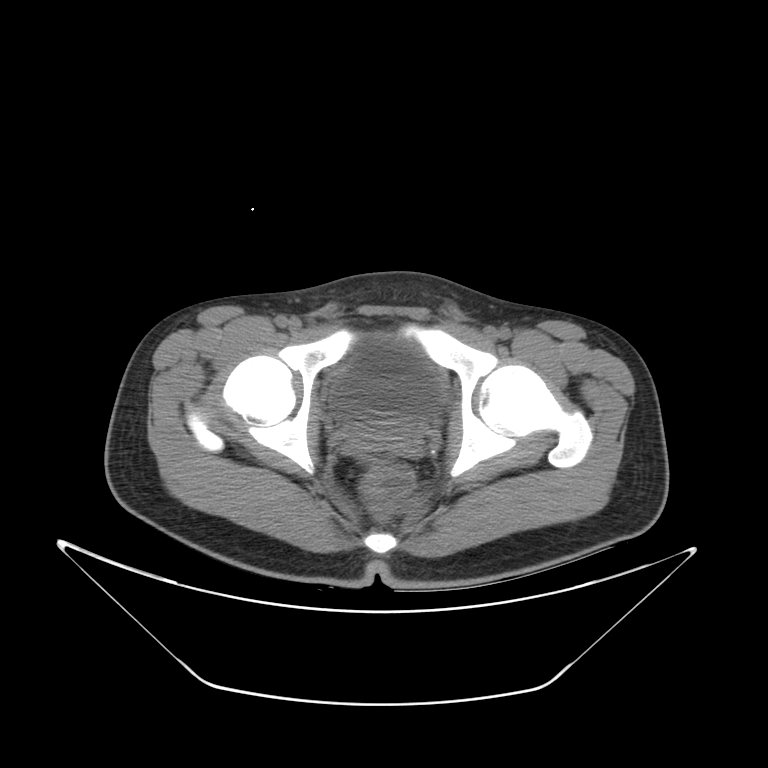
CT, abdomen/pelvis. Axial slice 21/102. 16-year-old male patient. acquired on Brilliance16
<organs><organ name="bladder" x1="330" y1="346" x2="439" y2="417"/></organs>